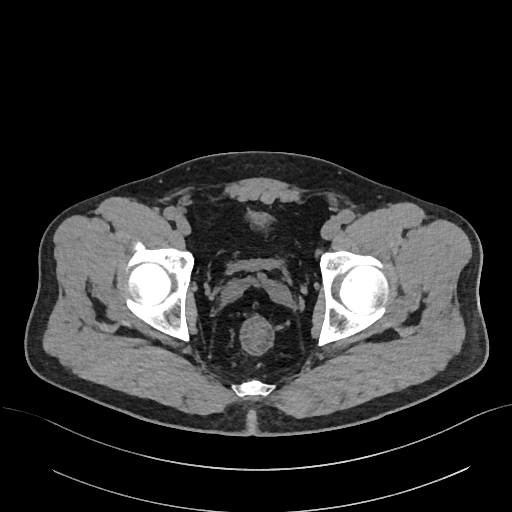

CT, abdomen/pelvis · axial plane, index 42 · 512x512 px · acquired on SOMATOM Force
Bounding boxes as [x1, y1, x2, y2] in pixel coordinates.
bladder: [227, 212, 281, 267]